Computed tomography, abdomen; axial view; 768x768 px
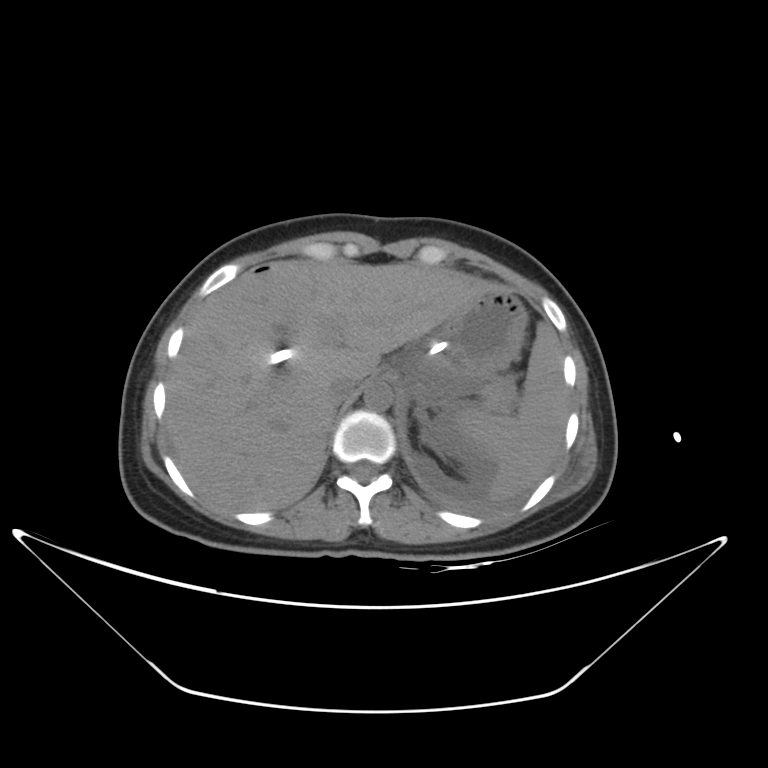

{"organs":{"spleen":[454,322,569,496],"liver":[165,260,492,511],"stomach":[410,287,527,381],"aorta":[363,382,393,410],"inferior vena cava":[330,375,360,404],"pancreas":[483,387,514,410],"left adrenal gland":[415,408,432,428]}}